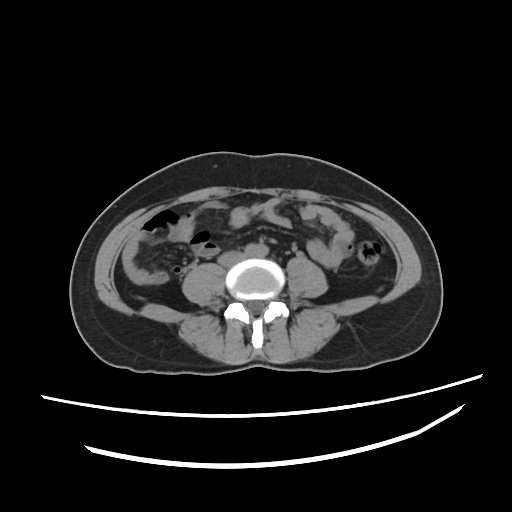

Computed tomography, abdomen · axial view · soft-tissue window (W 400 / L 40) · 43-year-old female patient
<organs><organ name="aorta" x1="245" y1="242" x2="268" y2="256"/><organ name="inferior vena cava" x1="218" y1="249" x2="247" y2="267"/></organs>